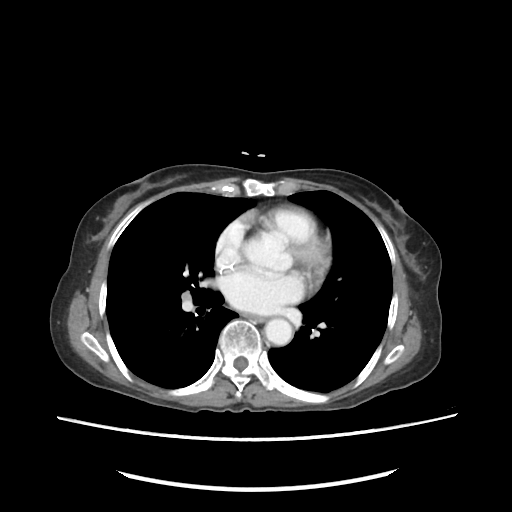
Abdominal CT reaching into the chest; this slice is in the chest. axial plane, index 92. W/L 400/40 HU. 512x512 px. 73-year-old female patient
At this level of the chest this dataset labels only the esophagus and the aorta, and each is boxed only where it is labeled; the heart and lungs are never labeled. Boxes are (x1, y1, x2, y2) in pixels. The annotated organs in this slice are: esophagus at (245, 315, 265, 322), aorta at (264, 319, 292, 345).